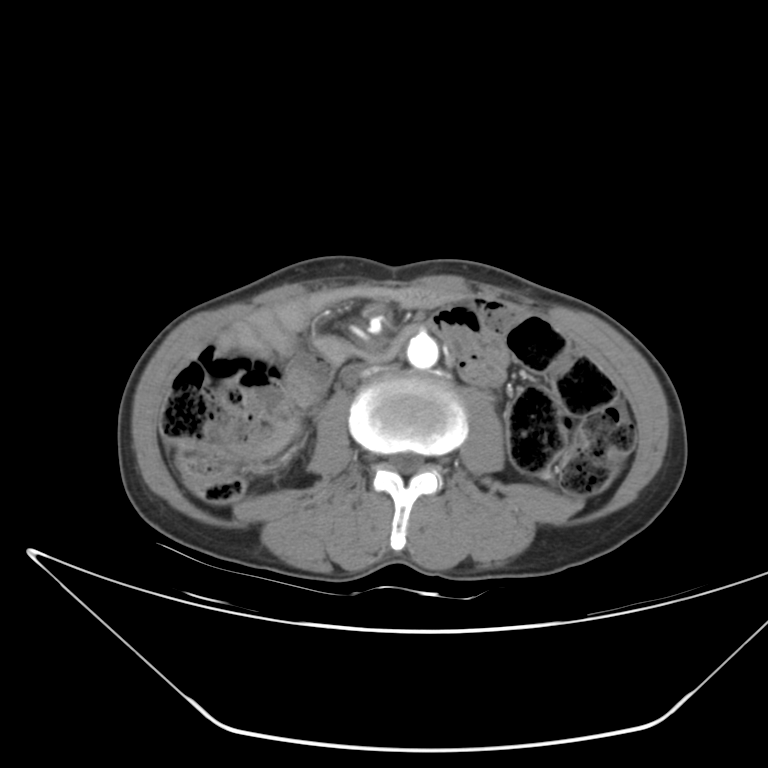 CT abdomen — axial view — 62-year-old male patient
Box edges are left/top/right/bottom in pixels. The annotated organs in this slice are: aorta at left=406, top=333, right=438, bottom=368, inferior vena cava at left=343, top=363, right=373, bottom=385.